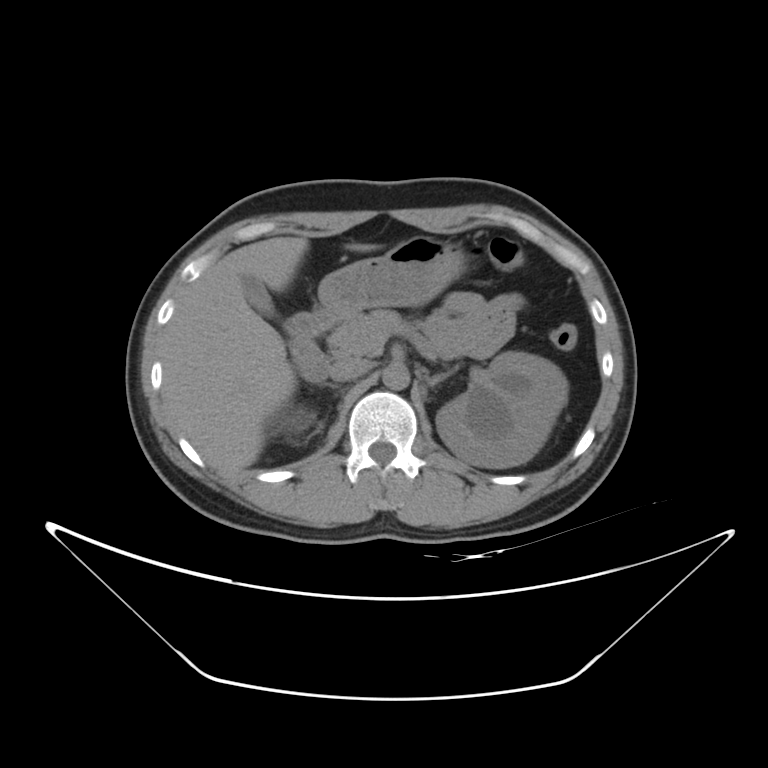

CT abdomen — axial view — W/L 400/40 HU — 15 organs annotated in this scan (that count is for the whole scan; organs this slice misses have no box)
Boxes are (x1, y1, x2, y2) in pixels.
Organ bounding boxes:
- right kidney: (284, 411, 311, 435)
- left kidney: (435, 352, 567, 468)
- gall bladder: (241, 275, 274, 311)
- liver: (161, 236, 376, 473)
- stomach: (318, 235, 466, 319)
- aorta: (382, 363, 409, 390)
- inferior vena cava: (330, 358, 369, 381)
- pancreas: (327, 310, 434, 358)
- right adrenal gland: (321, 382, 336, 388)
- left adrenal gland: (426, 372, 451, 386)
- duodenum: (285, 306, 336, 382)